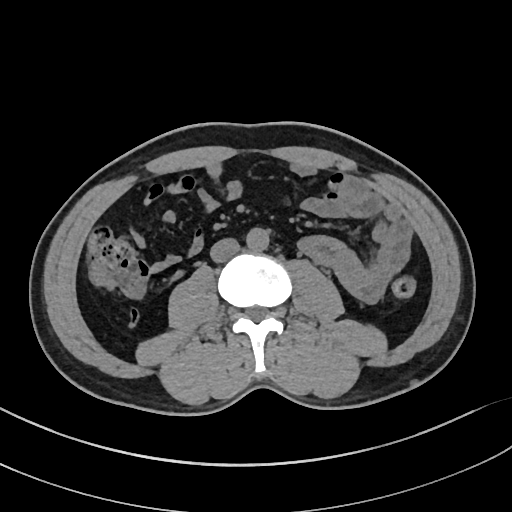 CT, abdomen/pelvis; axial view; abdomen soft-tissue window; 512x512 px; 15 organs annotated in this scan (that count is for the whole scan; organs this slice misses have no box)
Each box given as x1,y1,x2,y2. Labeled organs on this slice: aorta at x1=246, y1=227, x2=269, y2=250, inferior vena cava at x1=210, y1=238, x2=239, y2=262.